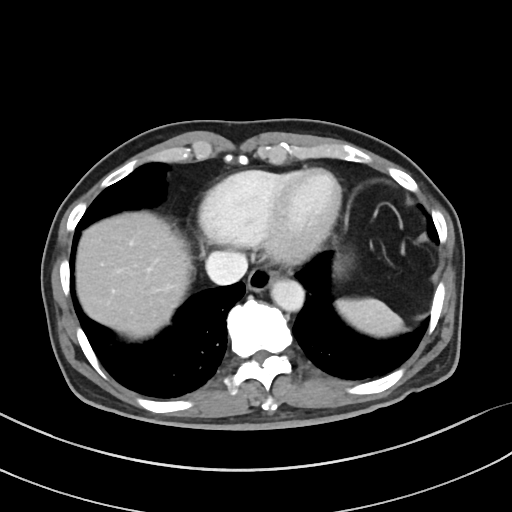 CT abdomen. axial plane, index 80. 512x512 px. SOMATOM Force scanner
Each box given as x1,y1,x2,y2.
spleen: x1=336, y1=298, x2=403, y2=336
esophagus: x1=246, y1=266, x2=277, y2=291
liver: x1=76, y1=211, x2=192, y2=338
aorta: x1=271, y1=279, x2=304, y2=311
inferior vena cava: x1=206, y1=251, x2=247, y2=285